Computed tomography, abdomen; axial view; scan has 15 labeled organs (a whole-scan count: organs this slice does not pass through have no box)
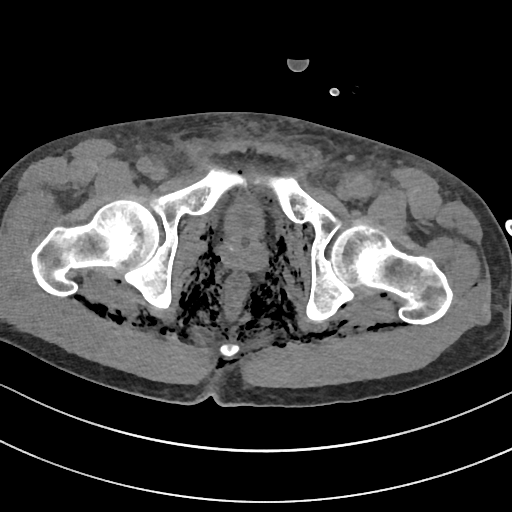
Each box given as x1,y1,x2,y2. Labeled organs on this slice: bladder at x1=225, y1=198, x2=264, y2=237, prostate/uterus at x1=222, y1=237, x2=266, y2=270.